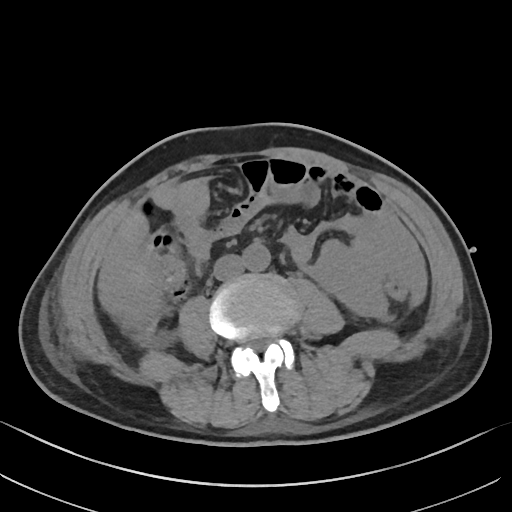

CT, abdomen/pelvis · axial view · soft-tissue window · 512x512 px
<organs><organ name="aorta" x1="241" y1="242" x2="270" y2="271"/><organ name="inferior vena cava" x1="213" y1="254" x2="243" y2="280"/></organs>